CT, abdomen/pelvis · axial view · W/L 400/40 HU · SOMATOM Force scanner
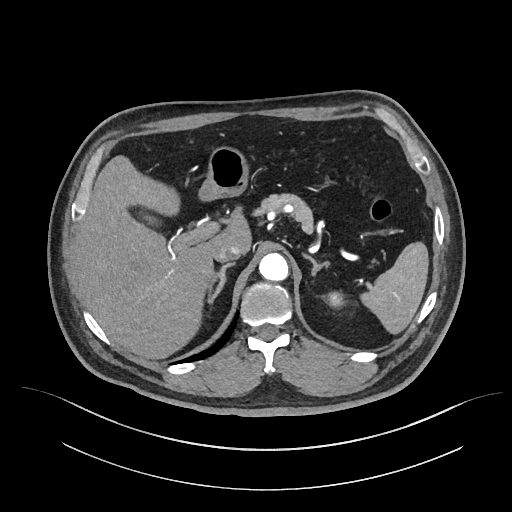
Box edges are left/top/right/bottom in pixels.
Organ bounding boxes:
- spleen: left=362, top=241, right=428, bottom=333
- left kidney: left=328, top=291, right=343, bottom=306
- liver: left=73, top=154, right=252, bottom=359
- stomach: left=200, top=144, right=248, bottom=200
- aorta: left=259, top=253, right=288, bottom=281
- inferior vena cava: left=214, top=245, right=240, bottom=262
- pancreas: left=259, top=195, right=312, bottom=232
- right adrenal gland: left=209, top=263, right=234, bottom=302
- left adrenal gland: left=302, top=252, right=330, bottom=276